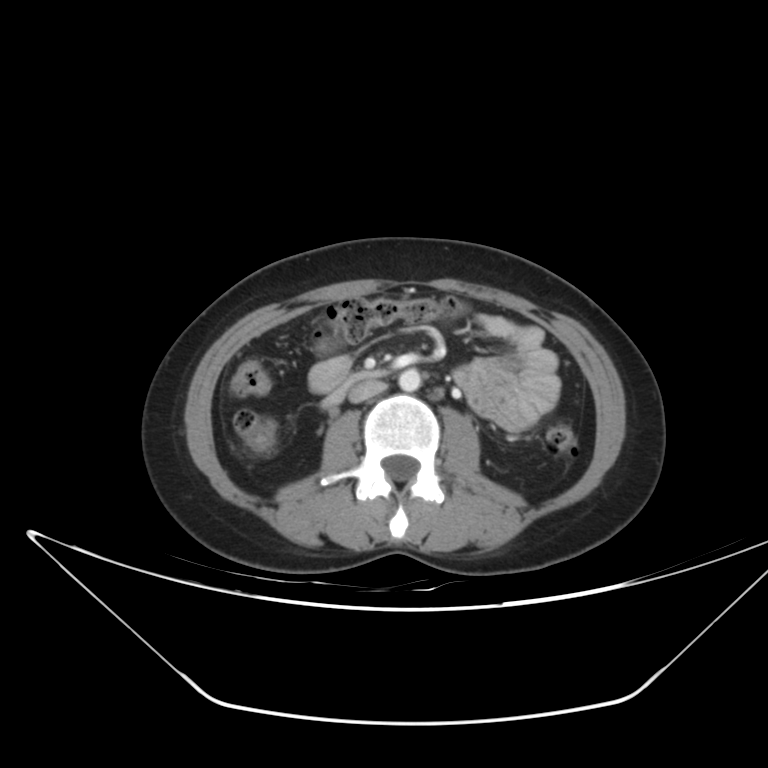

CT, abdomen/pelvis; axial view; 13 organs annotated in this scan (that count is for the whole scan; organs this slice misses have no box)
Boxes: x1 y1 x2 y2 (pixel coords, space-separated). 3 labeled organs on this slice — aorta at 399 369 420 391; inferior vena cava at 349 381 386 403; duodenum at 321 371 378 411.